CT, abdomen/pelvis; axial view; 512x512 px
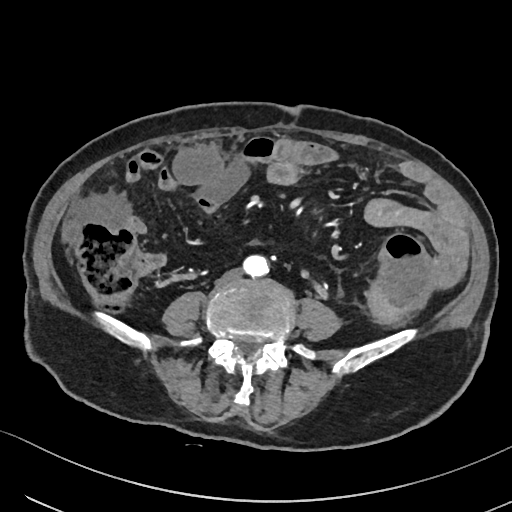
Boxes: x1 y1 x2 y2 (pixel coords, space-separated). 2 labeled organs on this slice — aorta at 244 254 269 276; inferior vena cava at 223 268 241 279.